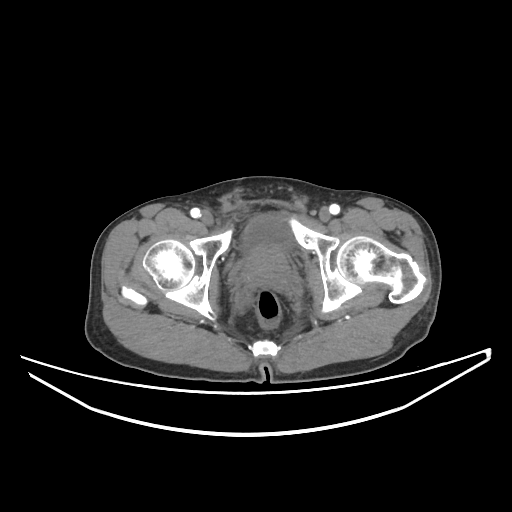 CT abdomen · axial view · abdomen soft-tissue window · scan has 15 labeled organs (that count is for the whole scan; organs this slice misses have no box)
Box edges are left/top/right/bottom in pixels.
Organ bounding boxes:
- bladder: left=242, top=214, right=293, bottom=251
- prostate/uterus: left=244, top=248, right=289, bottom=287